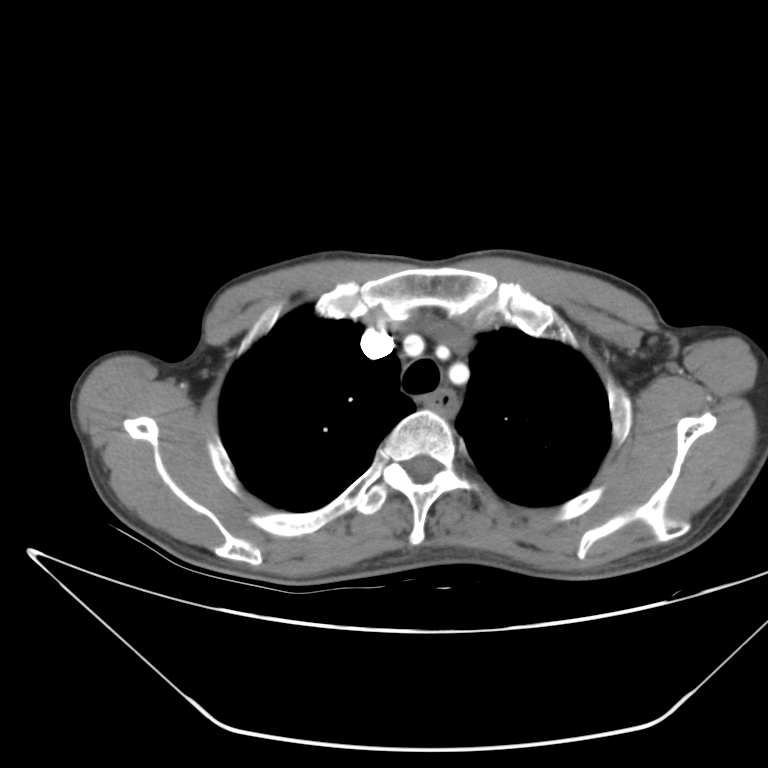 Chest-level slice from an abdominal CT that extends up into the chest — axial view — soft-tissue window
At this level of the chest no structure but the esophagus and the aorta has a label in this dataset, and those two are boxed only where they are labeled.
<organs><organ name="esophagus" x1="427" y1="389" x2="455" y2="417"/></organs>